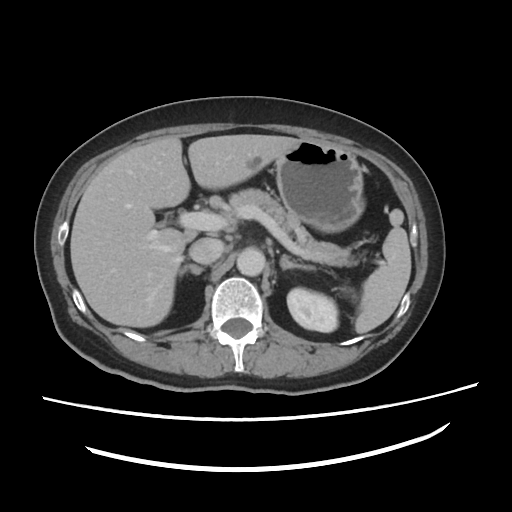

CT, abdomen/pelvis; axial view; 61-year-old female patient
{"organs":{"spleen":[354,209,411,333],"left kidney":[287,288,338,331],"liver":[71,135,302,327],"stomach":[276,138,365,233],"aorta":[235,248,265,276],"inferior vena cava":[189,238,223,264],"pancreas":[228,188,357,266],"right adrenal gland":[178,263,202,276],"left adrenal gland":[282,254,316,270]}}